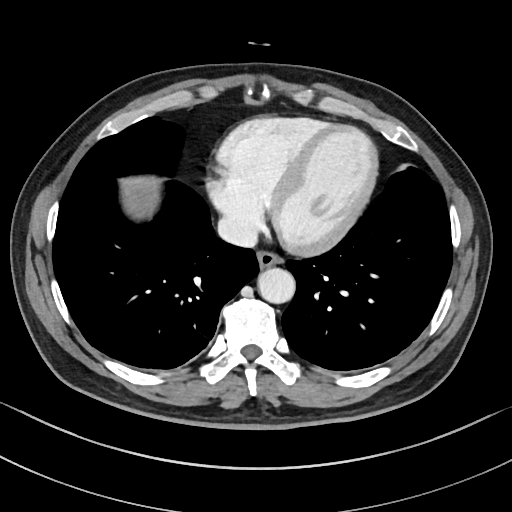 Lower-chest slice from an abdominal CT, just above the liver and spleen — axial view — 512x512 px
Of the structures in the chest, this dataset labels only the esophagus, the aorta and the inferior vena cava; the heart and lungs have no label.
Boxes: x1 y1 x2 y2 (pixel coords, space-separated).
esophagus: 256 250 280 268
aorta: 257 267 294 303
inferior vena cava: 218 214 258 247